Computed tomography, abdomen; axial view
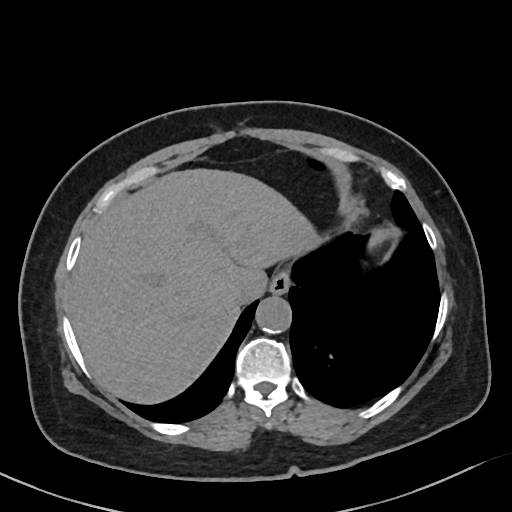
Boxes: x1 y1 x2 y2 (pixel coords, space-separated).
Organ bounding boxes:
- esophagus: 269 273 290 295
- liver: 69 170 320 402
- aorta: 255 297 291 334
- inferior vena cava: 233 275 265 302